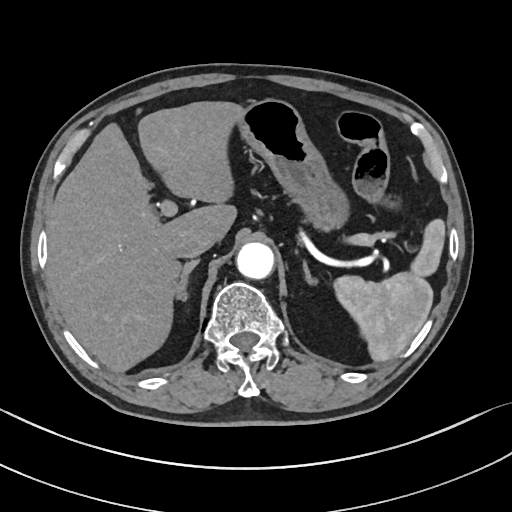 CT, abdomen/pelvis · Axial slice 175/306
Bounding boxes as [x1, y1, x2, y2] in pixel coordinates.
spleen: [333, 219, 445, 361]
liver: [46, 101, 242, 372]
stomach: [236, 99, 349, 230]
aorta: [236, 242, 273, 279]
inferior vena cava: [174, 231, 214, 257]
right adrenal gland: [176, 259, 199, 300]
left adrenal gland: [303, 261, 317, 284]